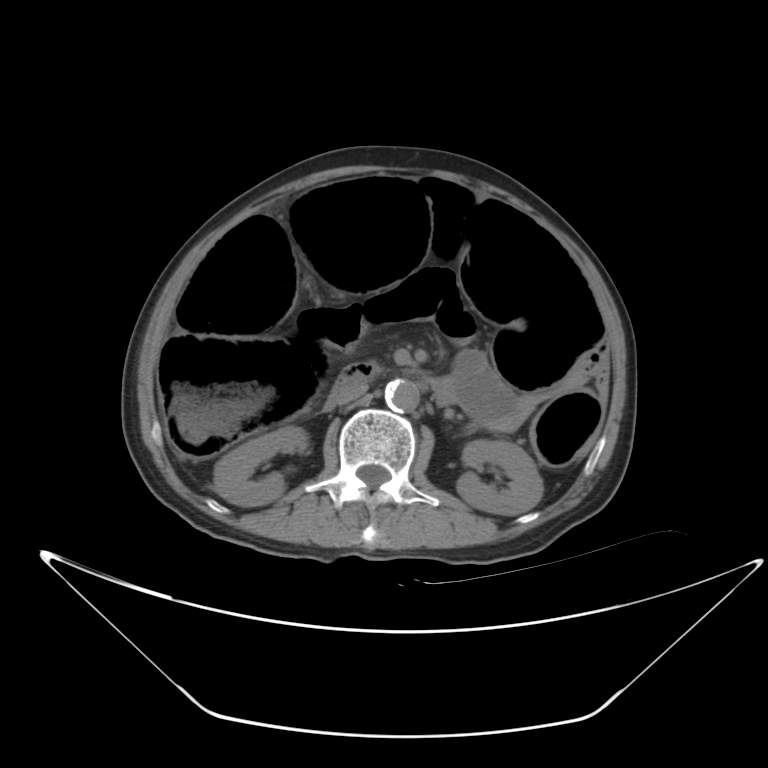 CT, abdomen/pelvis — axial plane, index 54 — 768x768 px — 64-year-old male patient
Each box given as x1,y1,x2,y2.
Organ bounding boxes:
- right kidney: x1=214, y1=426, x2=308, y2=506
- left kidney: x1=456, y1=440, x2=543, y2=515
- aorta: x1=384, y1=379, x2=419, y2=412
- inferior vena cava: x1=328, y1=384, x2=367, y2=407
- duodenum: x1=330, y1=362, x2=446, y2=396